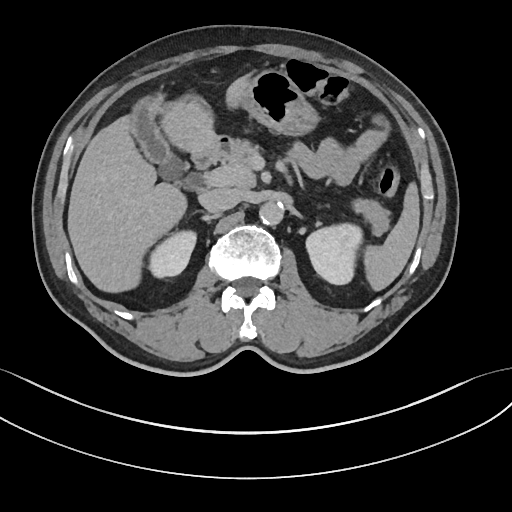
CT, abdomen/pelvis — axial plane, index 156
Coordinates as <box>x1,y1,x2,y2</box> in pixels.
Organ bounding boxes:
- spleen: <box>364,183,418,289</box>
- right kidney: <box>151,232,197,279</box>
- left kidney: <box>305,223,364,284</box>
- gall bladder: <box>131,90,185,184</box>
- liver: <box>67,76,246,291</box>
- stomach: <box>231,70,314,133</box>
- aorta: <box>259,201,283,225</box>
- inferior vena cava: <box>200,187,240,212</box>
- pancreas: <box>223,140,389,234</box>
- duodenum: <box>190,134,233,173</box>